CT, abdomen/pelvis — axial plane, index 35 — soft-tissue window
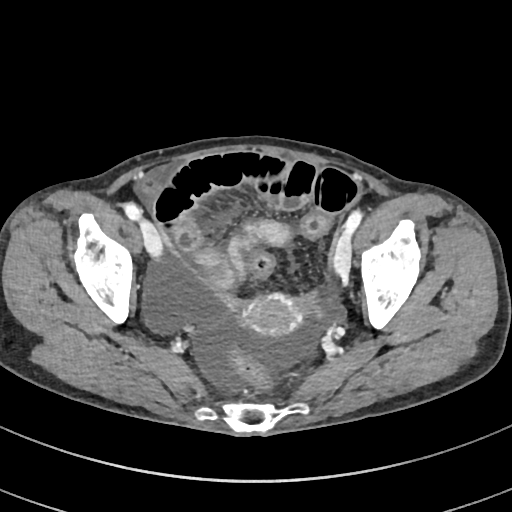 <organs><organ name="prostate/uterus" x1="240" y1="292" x2="303" y2="336"/></organs>